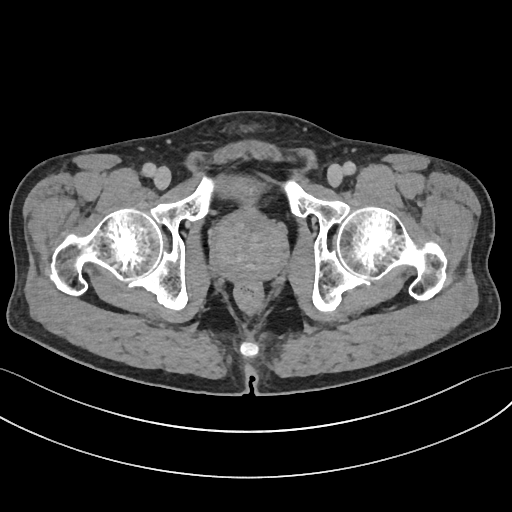
CT abdomen; axial view; 512x512 px; 15 organs annotated in this scan (a whole-scan count: organs this slice does not pass through have no box)
<organs><organ name="bladder" x1="213" y1="174" x2="261" y2="199"/><organ name="prostate/uterus" x1="210" y1="210" x2="286" y2="280"/></organs>